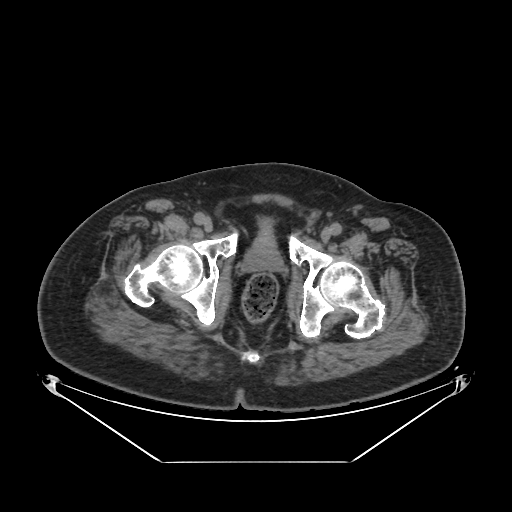

CT abdomen. axial view. 512x512 px
Boxes: x1 y1 x2 y2 (pixel coords, space-separated). Labeled organs on this slice: bladder at 245 219 271 267, prostate/uterus at 245 241 279 268.